Computed tomography, abdomen; axial plane, index 20; soft-tissue window; 512x512 px
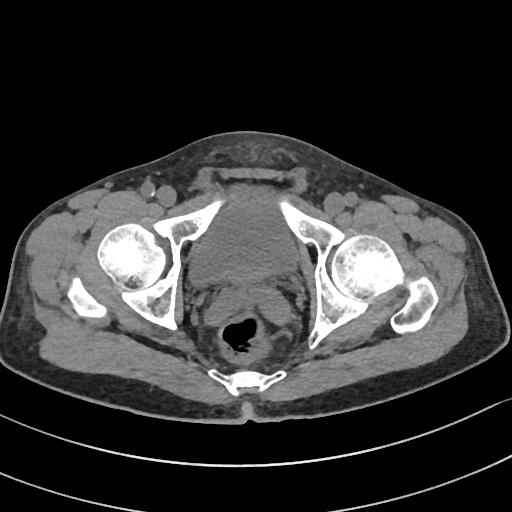
Organ boxes in pixel coordinates; each row gives the top-left (x1, y1) and bottom-right (x2, y2) corners.
| organ | x1 | y1 | x2 | y2 |
|---|---|---|---|---|
| bladder | 188 | 184 | 295 | 287 |